Computed tomography, abdomen. Axial slice 13/96. soft-tissue window. 51-year-old male patient
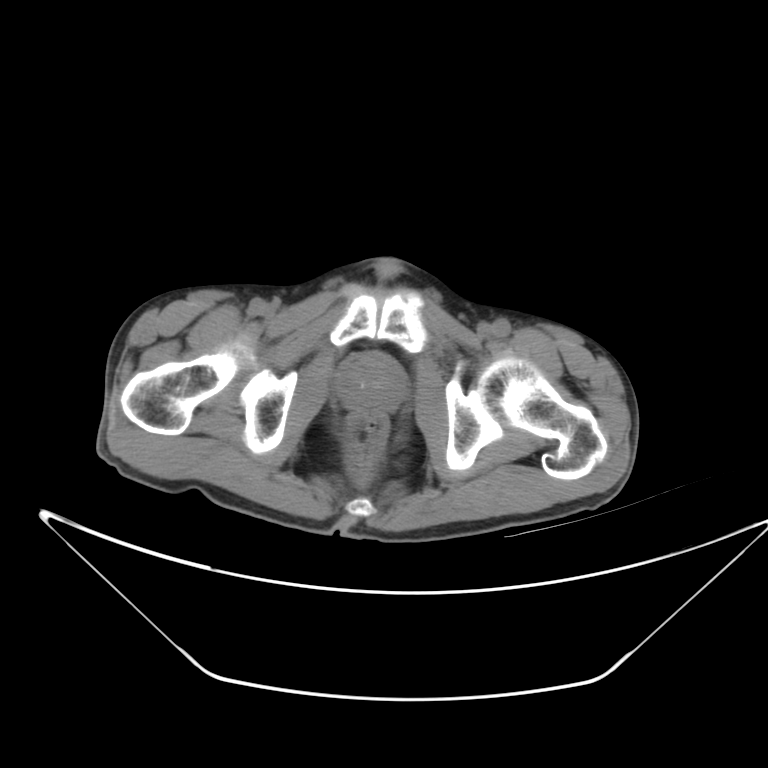

Each box given as x1,y1,x2,y2. Labeled organs on this slice: prostate/uterus at x1=341, y1=360, x2=399, y2=409.